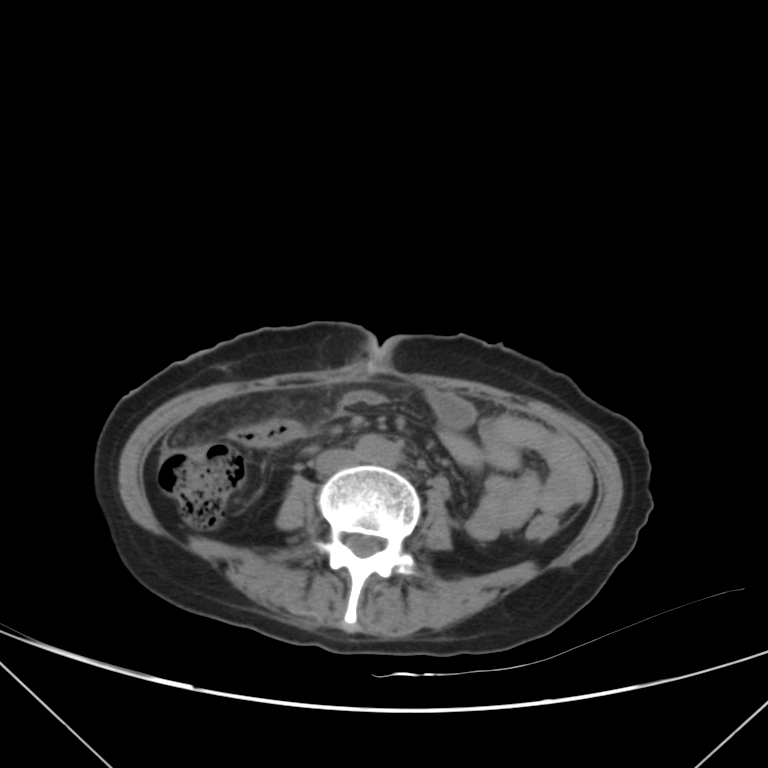
Computed tomography, abdomen — axial view — soft-tissue window — 768x768 px — acquired on Brilliance16
Bounding boxes as [x1, y1, x2, y2] in pixel coordinates.
Organ bounding boxes:
- aorta: [355, 435, 400, 464]
- inferior vena cava: [315, 448, 359, 474]